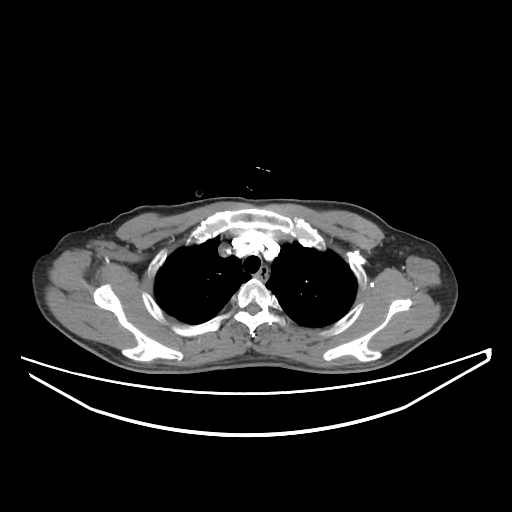
Chest-level slice from an abdominal CT that extends up into the chest; axial view; soft-tissue window, W/L 400/40; 512x512 px; 62-year-old male patient
On a slice this high in the chest, this dataset labels only the esophagus and the aorta, and each is boxed only where it is labeled; the heart, lungs and other chest structures are not labeled. Box edges are left/top/right/bottom in pixels. 1 labeled organ on this slice — esophagus at left=257, top=267, right=267, bottom=280.